CT abdomen — axial view — 768x768 px — female patient aged 90 or older — scan has 15 labeled organs (that count is for the whole scan; organs this slice misses have no box)
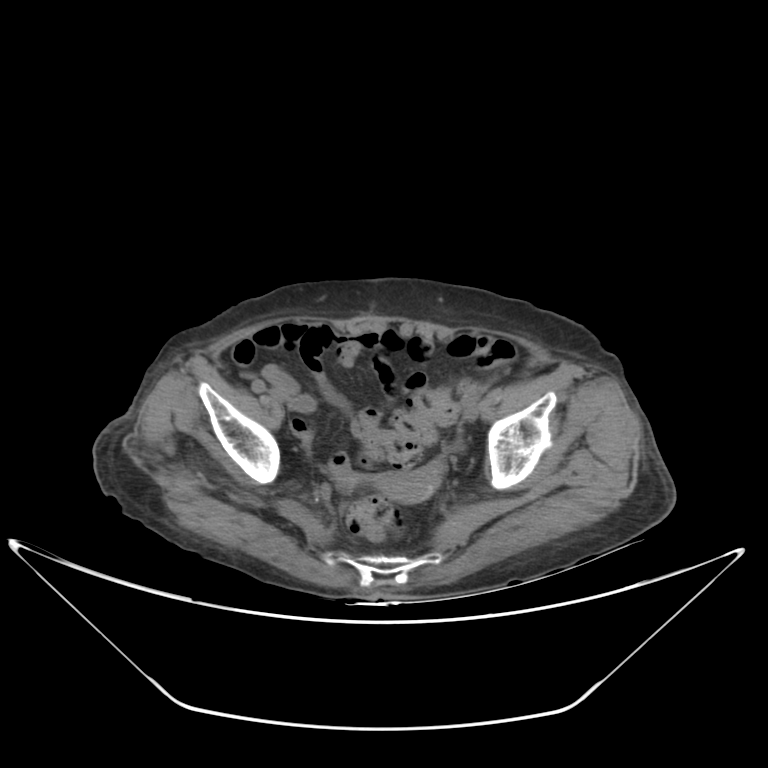
<organs><organ name="prostate/uterus" x1="378" y1="458" x2="443" y2="502"/></organs>